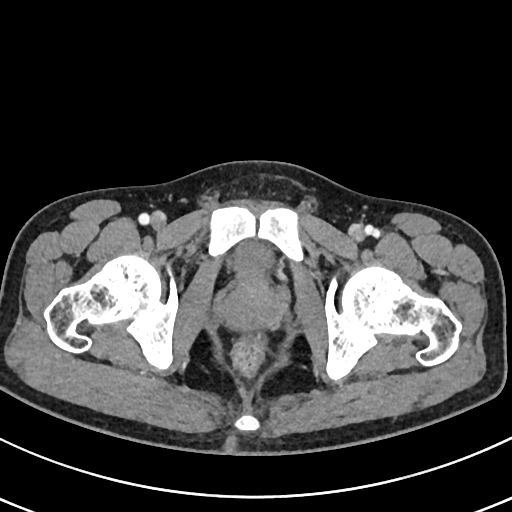

CT, abdomen/pelvis. Axial slice 17/218. SOMATOM Force scanner
<organs><organ name="prostate/uterus" x1="221" y1="276" x2="284" y2="330"/><organ name="bladder" x1="236" y1="241" x2="274" y2="277"/></organs>